Chest-level slice from an abdominal CT that extends up into the chest. axial view. 512x512 px. acquired on SOMATOM Force. scan has 15 labeled organs (counted over the whole 3D scan, not this slice; an organ is boxed only where this slice passes through it)
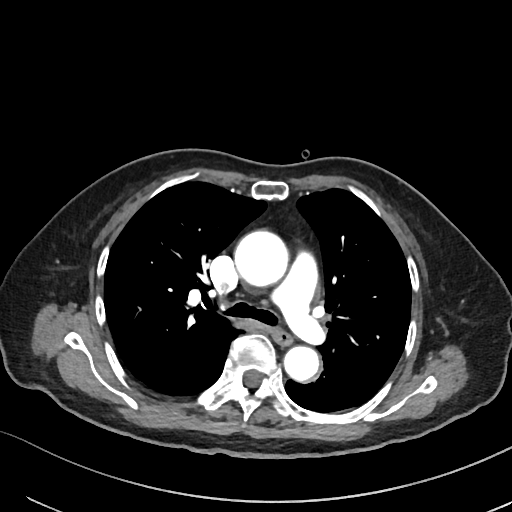

At this level of the chest this dataset labels only the esophagus and the aorta, and each is boxed only where it is labeled; the heart and lungs are never labeled.
Boxes: x1 y1 x2 y2 (pixel coords, space-separated).
Organ bounding boxes:
- esophagus: 273 330 293 345
- aorta: 234 230 287 285
- aorta: 284 346 318 381